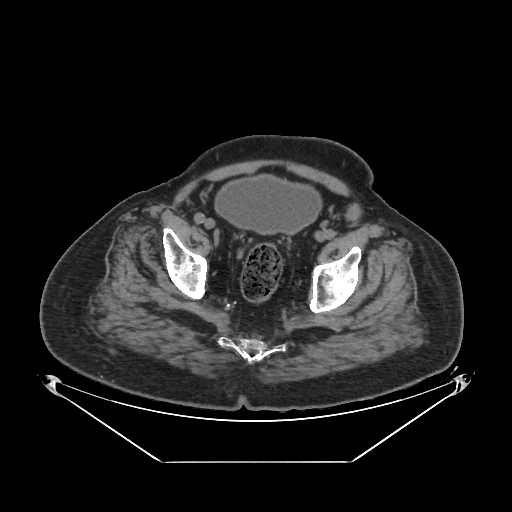

CT, abdomen/pelvis · axial view · abdomen soft-tissue window · 512x512 px
Boxes are (x1, y1, x2, y2) in pixels.
Organ bounding boxes:
- bladder: (215, 175, 321, 234)